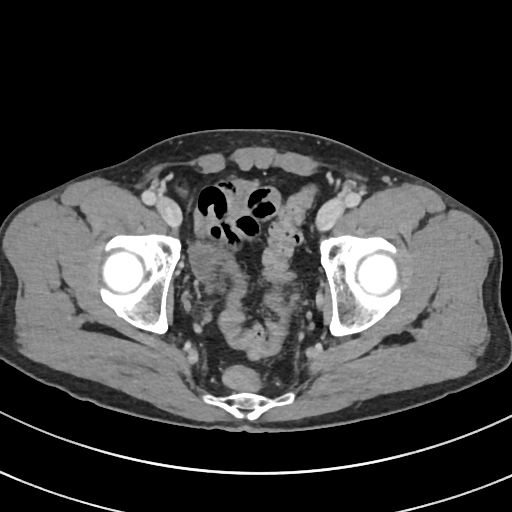

Computed tomography, abdomen — axial view — soft-tissue window
{"organs":{"bladder":[188,244,219,282]}}